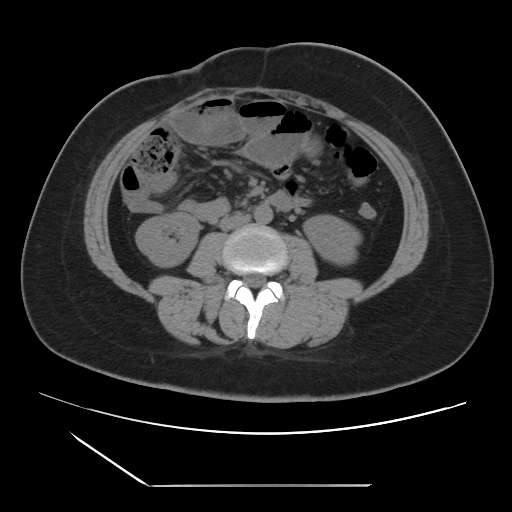
CT, abdomen/pelvis; axial plane, index 45; abdomen soft-tissue window; 512x512 px; 15 organs annotated in this scan (a whole-scan count: organs this slice does not pass through have no box)
Box edges are left/top/right/bottom in pixels. The annotated organs in this slice are: right kidney at left=135, top=212, right=199, bottom=266, left kidney at left=303, top=215, right=361, bottom=264, aorta at left=254, top=204, right=272, bottom=223, inferior vena cava at left=220, top=213, right=249, bottom=230, duodenum at left=269, top=191, right=291, bottom=209.